Computed tomography, abdomen · axial plane, index 81 · 71-year-old male patient
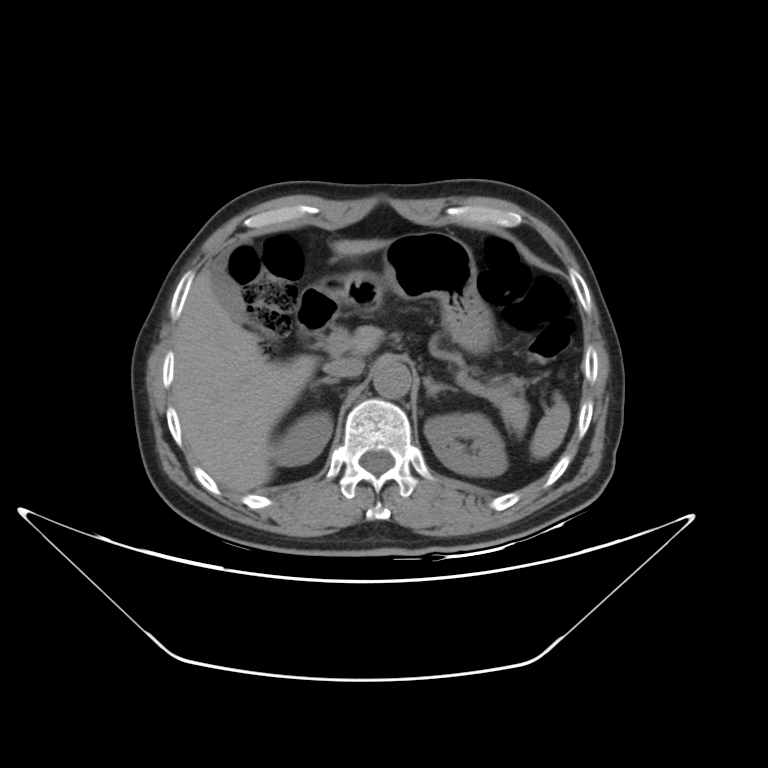 {"organs":{"spleen":[528,396,571,461],"right kidney":[272,413,332,466],"left kidney":[423,413,505,473],"gall bladder":[211,257,325,345],"liver":[172,238,390,493],"stomach":[384,233,493,351],"aorta":[374,361,410,398],"inferior vena cava":[322,357,364,376],"pancreas":[354,329,529,440],"right adrenal gland":[307,379,342,391],"left adrenal gland":[424,377,457,397],"duodenum":[300,271,382,335]}}